CT abdomen; Axial slice 15/89; soft-tissue window (W 400 / L 40); 768x768 px; 78-year-old female patient; Brilliance16 scanner
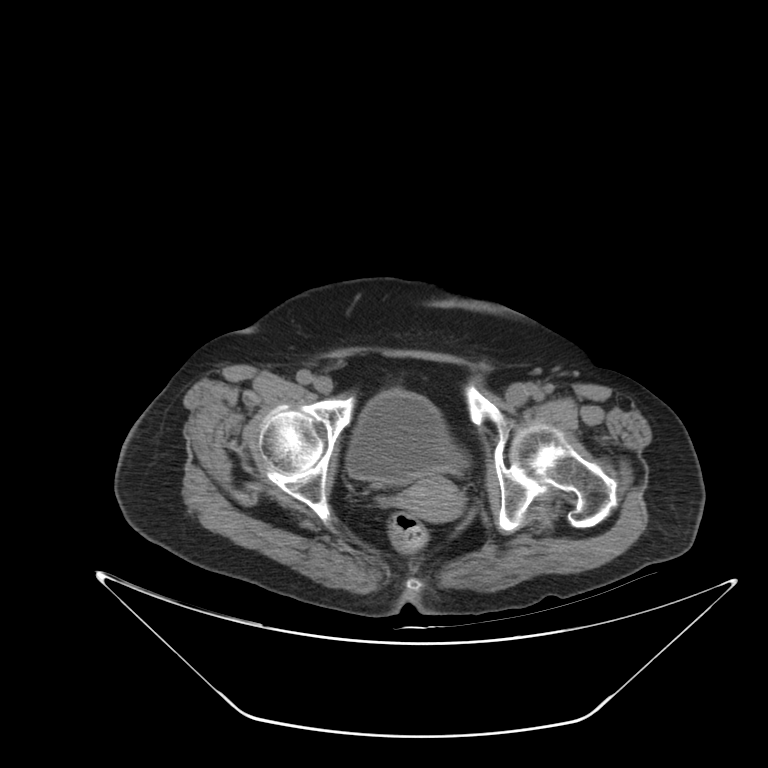

One row per box, in pixels: columns x1 and y1 give the top-left corner, x2 and y2 the bottom-right.
| organ | x1 | y1 | x2 | y2 |
|---|---|---|---|---|
| bladder | 347 | 390 | 466 | 483 |
| prostate/uterus | 400 | 477 | 462 | 521 |